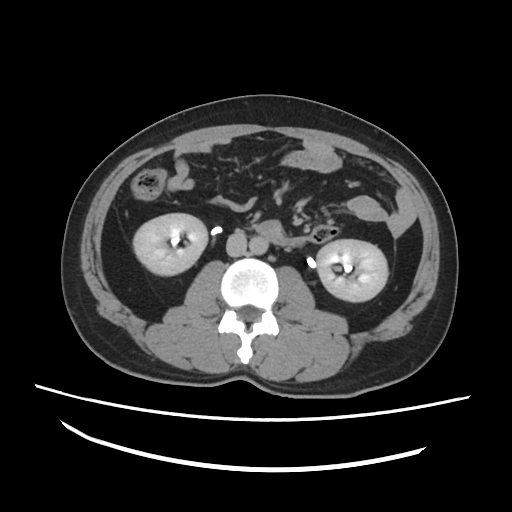 CT abdomen. axial view. soft-tissue window (W 400 / L 40). 512x512 px. 44-year-old male patient
Box edges are left/top/right/bottom in pixels. Labeled organs on this slice: aorta at left=248, top=235, right=269, bottom=254, duodenum at left=270, top=235, right=303, bottom=247, inferior vena cava at left=226, top=229, right=246, bottom=256, right kidney at left=134, top=215, right=207, bottom=274, left kidney at left=317, top=238, right=386, bottom=300.